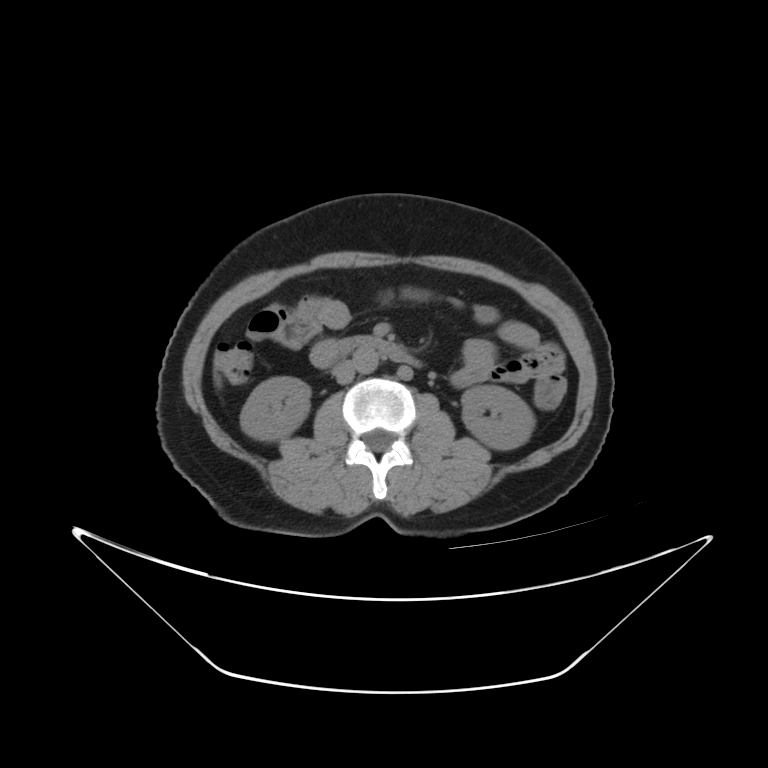
CT, abdomen/pelvis — axial plane, index 52 — W/L 400/40 HU — acquired on Brilliance16 — 15 organs annotated in this scan (counted over the whole 3D scan, not this slice; an organ is boxed only where this slice passes through it)
Coordinates as <box>x1,y1,x2,y2</box> in pixels.
right kidney: <box>240,375,310,436</box>
left kidney: <box>460,386,533,448</box>
aorta: <box>351,345,380,375</box>
inferior vena cava: <box>333,359,356,385</box>
duodenum: <box>337,335,416,365</box>